Abdominal CT — axial plane, index 155 — scan has 14 labeled organs (counted over the whole 3D scan, not this slice; an organ is boxed only where this slice passes through it)
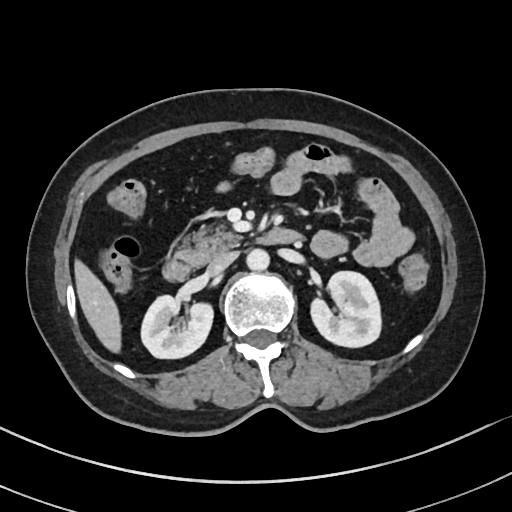 {"organs":{"aorta":[246,248,269,270],"left kidney":[311,271,381,347],"liver":[74,260,121,352],"pancreas":[173,227,241,268],"duodenum":[162,228,303,281],"right kidney":[141,295,213,358],"inferior vena cava":[206,252,237,275]}}